Abdominal CT; this slice is in the lower chest, just above the liver · Axial slice 93/95
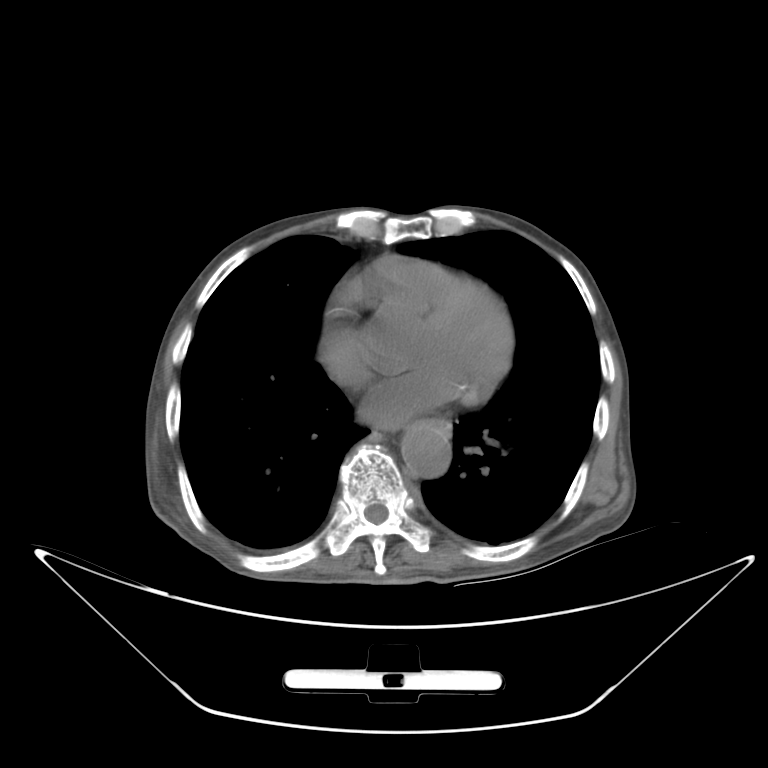 The heart and lungs are never labeled in this dataset, so they have no box on this slice.
One row per box, in pixels: columns x1 and y1 give the top-left corner, x2 and y2 the bottom-right.
| organ | x1 | y1 | x2 | y2 |
|---|---|---|---|---|
| esophagus | 420 | 418 | 452 | 437 |
| aorta | 400 | 423 | 449 | 478 |